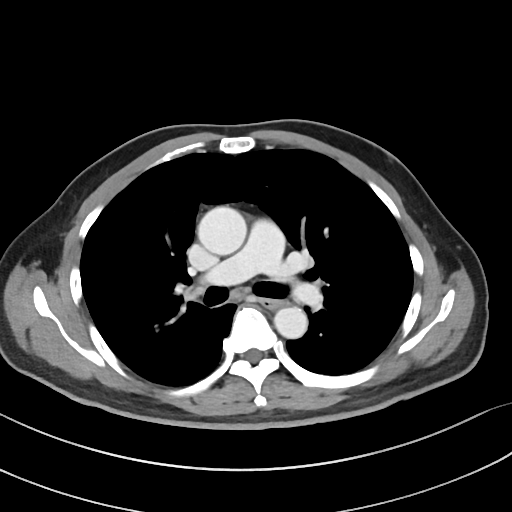

Chest-level CT slice, above the liver and spleen. axial view
On a slice this high in the chest, this dataset labels only the esophagus and the aorta, and each is boxed only where it is labeled; the heart, lungs and other chest structures are not labeled.
Organ boxes in pixel coordinates; each row gives the top-left (x1, y1) and bottom-right (x2, y2) corners.
| organ | x1 | y1 | x2 | y2 |
|---|---|---|---|---|
| aorta | 197 | 206 | 246 | 255 |
| aorta | 274 | 307 | 307 | 338 |
| esophagus | 262 | 299 | 282 | 308 |